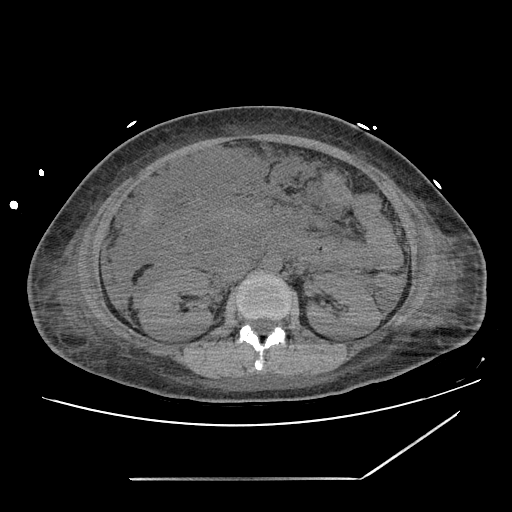 CT, abdomen/pelvis; Axial slice 110/191; soft-tissue window (W 400 / L 40)
Box edges are left/top/right/bottom in pixels. 5 labeled organs on this slice — left kidney at left=308, top=275, right=380, bottom=339; right kidney at left=139, top=269, right=213, bottom=338; liver at left=101, top=254, right=123, bottom=308; inferior vena cava at left=221, top=255, right=249, bottom=279; aorta at left=262, top=256, right=281, bottom=272.